Abdominal CT. axial view. 512x512 px
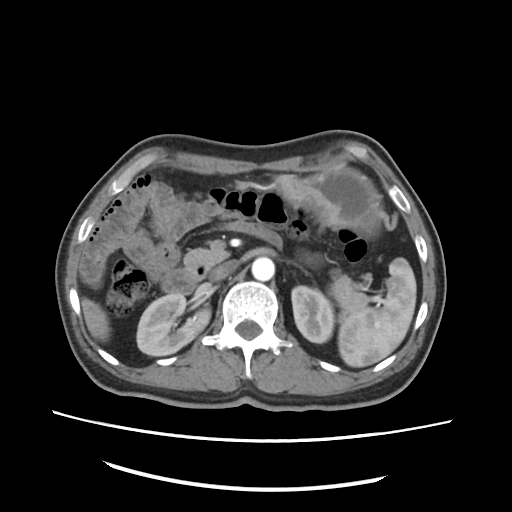
Box edges are left/top/right/bottom in pixels.
spleen: left=337, top=166, right=461, bottom=367
right kidney: left=136, top=293, right=210, bottom=356
inferior vena cava: left=211, top=260, right=238, bottom=279
pancreas: left=185, top=249, right=367, bottom=318
aorta: left=252, top=256, right=274, bottom=281
duodenum: left=158, top=267, right=208, bottom=295
liver: left=82, top=299, right=109, bottom=339
left kidney: left=292, top=286, right=334, bottom=343
stomach: left=278, top=169, right=380, bottom=228